Lower-chest slice from an abdominal CT, just above the liver and spleen. axial view. soft-tissue window. 512x512 px. SOMATOM Force scanner
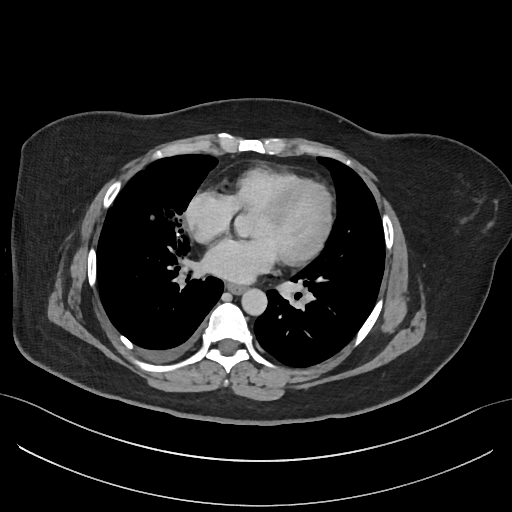 Of the structures in the chest, this dataset labels only the esophagus, the aorta and the inferior vena cava; the heart and lungs have no label.
{"organs":{"esophagus":[226,283,245,293],"aorta":[241,288,267,315]}}